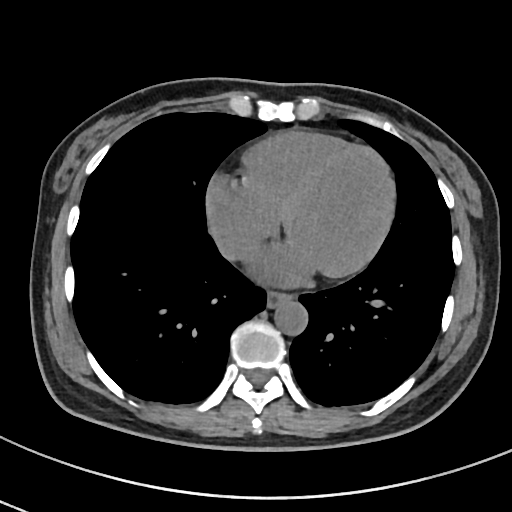
Abdominal CT; this slice is in the lower chest, just above the liver; axial view; W/L 400/40 HU
Of the structures in the chest, this dataset labels only the esophagus, the aorta and the inferior vena cava; the heart and lungs have no label.
{"organs":{"esophagus":[268,291,293,306],"aorta":[273,299,307,334],"inferior vena cava":[217,236,258,262]}}